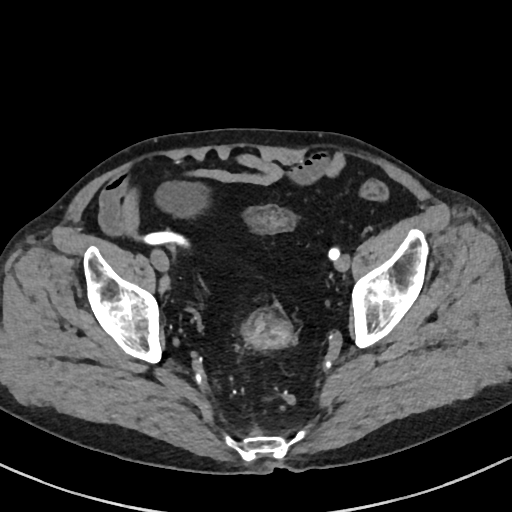
CT abdomen — axial plane, index 53 — 512x512 px — scan has 15 labeled organs (that count is for the whole scan; organs this slice misses have no box)
<organs><organ name="bladder" x1="156" y1="183" x2="207" y2="216"/></organs>